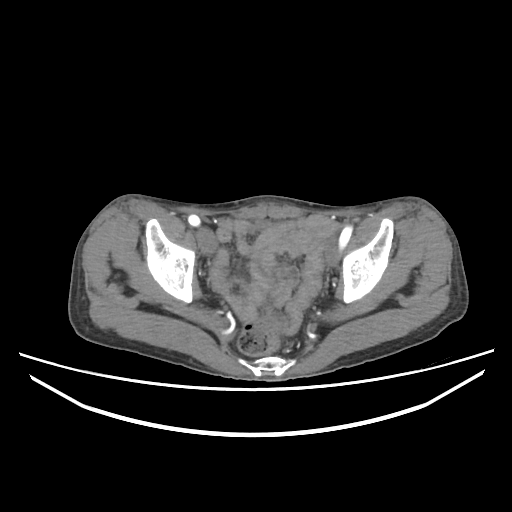
CT abdomen — axial view — 50-year-old male patient — 14 organs annotated in this scan (that count is for the whole scan; organs this slice misses have no box)
Coordinates as <box>x1,y1,x2,y2</box> in pixels. Labeled organs on this slice: bladder at <box>256,220,269,227</box>.